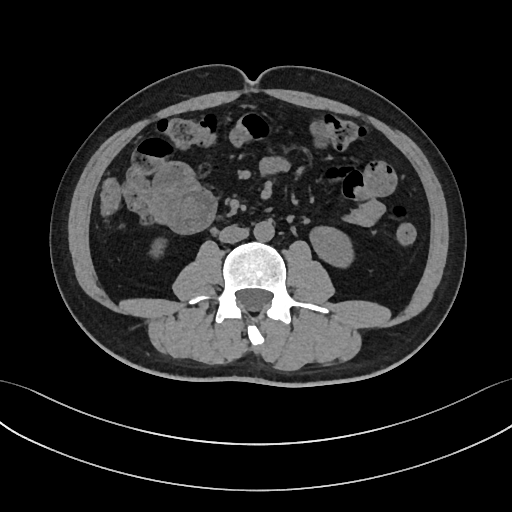

Computed tomography, abdomen; axial view; 512x512 px
Boxes: x1:y1:x2:y2 in pixels. 4 labeled organs on this slice — right kidney at 153:241:162:255; left kidney at 308:225:352:267; aorta at 253:220:274:241; inferior vena cava at 219:225:248:242.